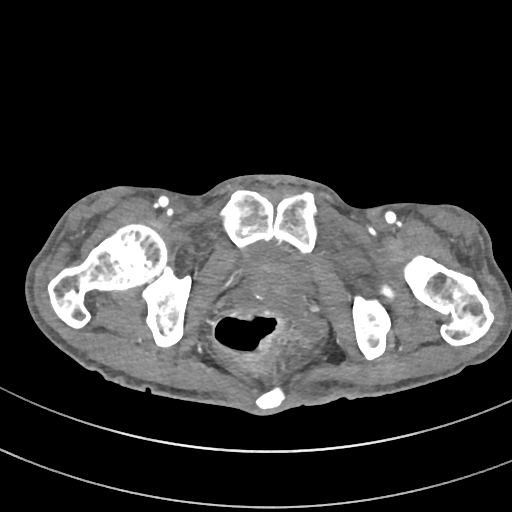

CT abdomen — Axial slice 8/218 — W/L 400/40 HU — 512x512 px — SOMATOM Force scanner
Box edges are left/top/right/bottom in pixels.
bladder: left=246, top=243, right=308, bottom=282
prostate/uterus: left=233, top=268, right=302, bottom=312